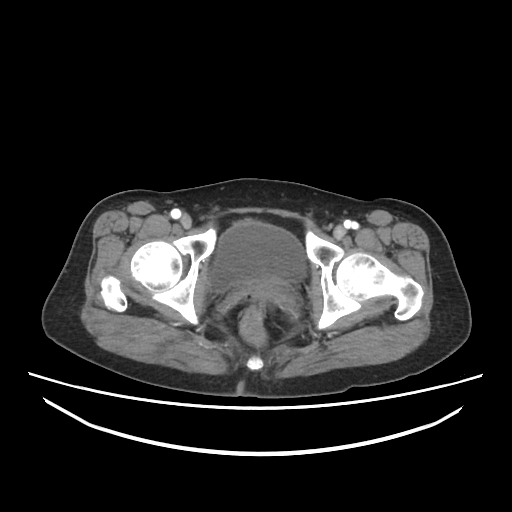 CT, abdomen/pelvis. axial view. 512x512 px. Aquilion ONE scanner. scan has 15 labeled organs (counted over the whole 3D scan, not this slice; an organ is boxed only where this slice passes through it)
Boxes: x1 y1 x2 y2 (pixel coords, space-separated). The annotated organs in this slice are: bladder at 211 221 304 288.